Abdominal CT; this slice is in the lower chest, just above the liver. axial plane, index 90. soft-tissue window, W/L 400/40. 63-year-old female patient
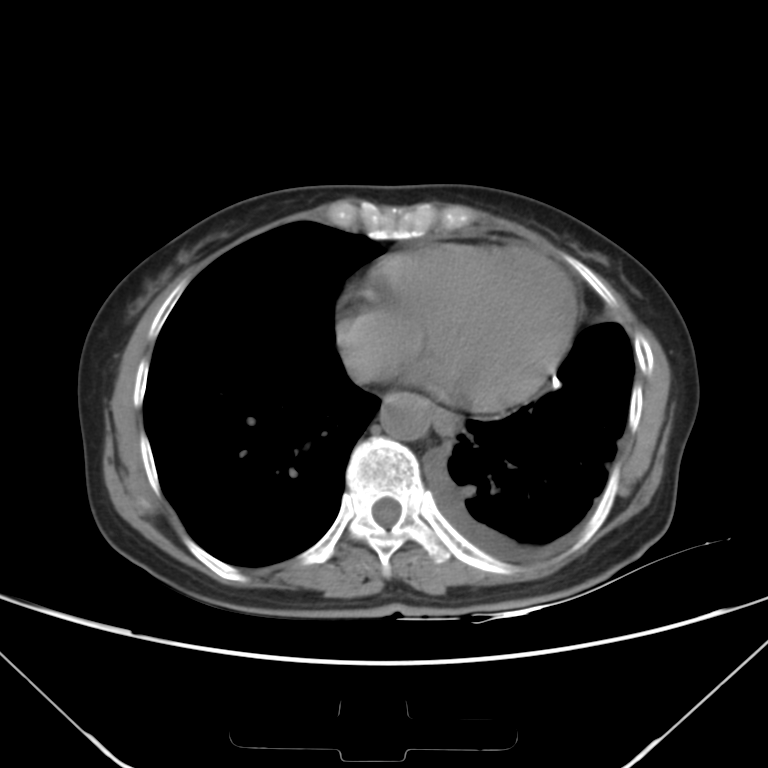 No part of the heart or lungs is labeled in this dataset, so neither has a box here.
<organs><organ name="esophagus" x1="429" y1="407" x2="456" y2="435"/><organ name="aorta" x1="379" y1="391" x2="430" y2="441"/></organs>